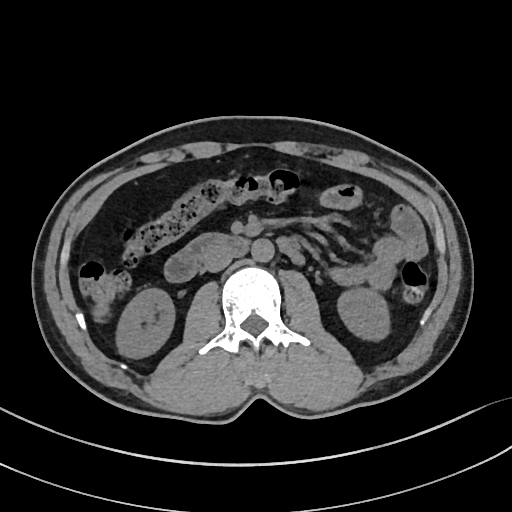
CT, abdomen/pelvis. Axial slice 144/228. soft-tissue window (W 400 / L 40)
Boxes: x1:y1:x2:y2 in pixels.
left kidney: 336:287:391:340
inferior vena cava: 203:248:234:272
right kidney: 115:288:175:358
duodenum: 163:233:304:282
aorta: 251:239:274:263